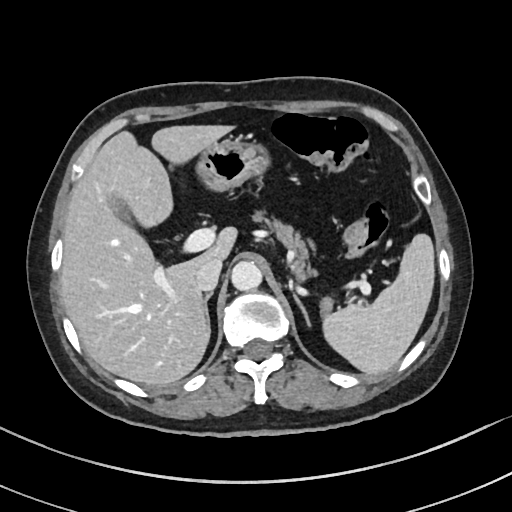
CT abdomen — Axial slice 186/314
<organs><organ name="spleen" x1="323" y1="234" x2="434" y2="374"/><organ name="gall bladder" x1="111" y1="198" x2="135" y2="226"/><organ name="liver" x1="60" y1="124" x2="236" y2="386"/><organ name="stomach" x1="195" y1="136" x2="270" y2="191"/><organ name="aorta" x1="231" y1="261" x2="262" y2="291"/><organ name="inferior vena cava" x1="195" y1="258" x2="222" y2="291"/><organ name="pancreas" x1="252" y1="211" x2="332" y2="311"/><organ name="right adrenal gland" x1="204" y1="293" x2="212" y2="334"/><organ name="left adrenal gland" x1="293" y1="293" x2="310" y2="324"/></organs>